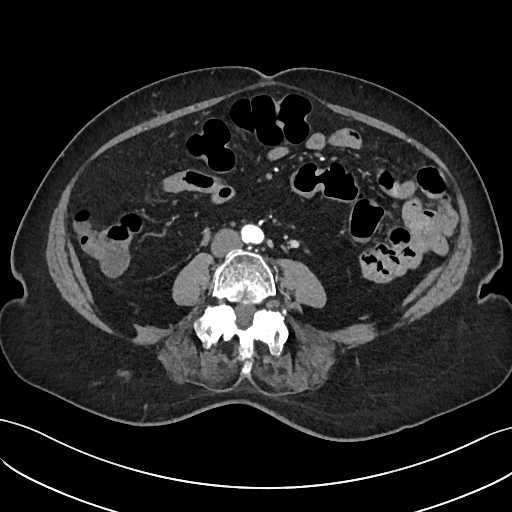 Abdominal CT — axial plane, index 91 — scan has 15 labeled organs (counted over the whole 3D scan, not this slice; an organ is boxed only where this slice passes through it)
Boxes: x1:y1:x2:y2 in pixels.
Organ bounding boxes:
- aorta: 240:224:263:243
- inferior vena cava: 211:229:241:256